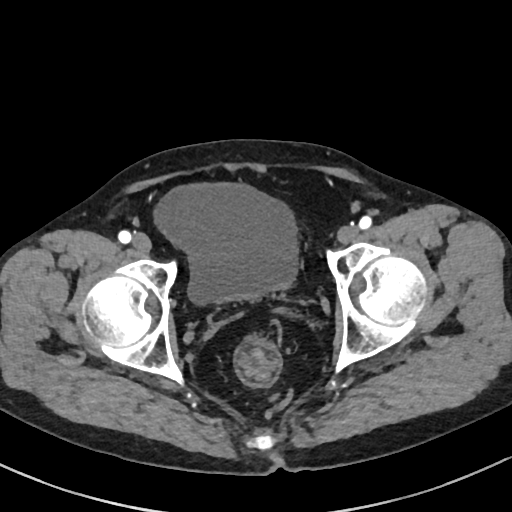
Computed tomography, abdomen. Axial slice 40/303. SOMATOM Force scanner
Organ boxes in pixel coordinates; each row gives the top-left (x1, y1) and bottom-right (x2, y2) corners.
| organ | x1 | y1 | x2 | y2 |
|---|---|---|---|---|
| bladder | 155 | 185 | 298 | 304 |